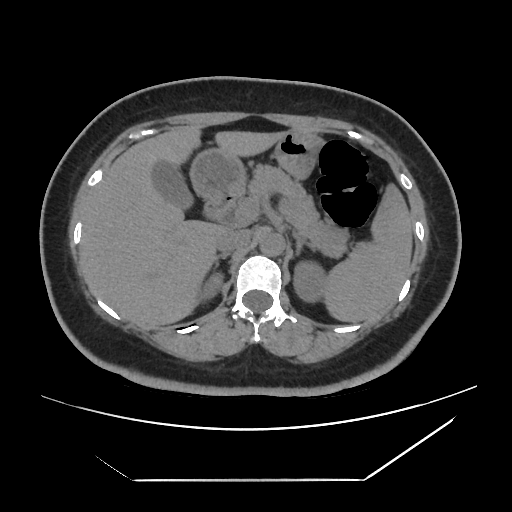
Computed tomography, abdomen — Axial slice 246/345 — abdomen soft-tissue window — acquired on SOMATOM Force
One row per box, in pixels: columns x1 and y1 give the top-left corner, x2 and y2 the bottom-right.
| organ | x1 | y1 | x2 | y2 |
|---|---|---|---|---|
| spleen | 321 | 182 | 412 | 322 |
| right kidney | 204 | 274 | 221 | 295 |
| left kidney | 294 | 263 | 324 | 301 |
| gall bladder | 153 | 162 | 194 | 209 |
| liver | 79 | 125 | 287 | 326 |
| stomach | 190 | 131 | 323 | 199 |
| aorta | 259 | 231 | 284 | 256 |
| inferior vena cava | 216 | 229 | 251 | 253 |
| pancreas | 248 | 165 | 348 | 256 |
| right adrenal gland | 213 | 253 | 229 | 271 |
| left adrenal gland | 293 | 233 | 313 | 257 |
| duodenum | 204 | 194 | 236 | 220 |